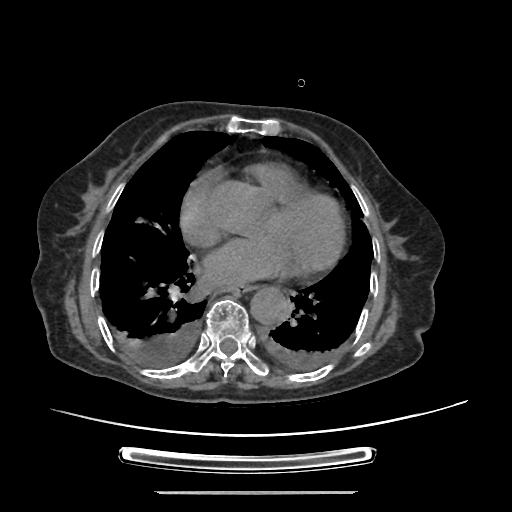
Abdominal CT; this slice is in the lower chest, just above the liver · axial view · soft-tissue window · scan has 14 labeled organs (a whole-scan count: organs this slice does not pass through have no box)
The heart and lungs are never labeled in this dataset, so they have no box on this slice.
<organs><organ name="esophagus" x1="223" y1="286" x2="252" y2="293"/><organ name="aorta" x1="250" y1="286" x2="291" y2="324"/></organs>